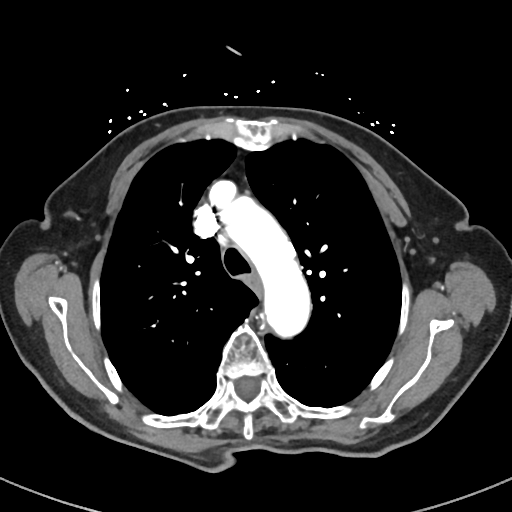

CT of the abdomen extending into the chest, slice through the chest; axial plane, index 239; 512x512 px
At this level of the chest this dataset labels only the esophagus and the aorta, and each is boxed only where it is labeled; the heart and lungs are never labeled.
<organs><organ name="esophagus" x1="247" y1="273" x2="260" y2="291"/><organ name="aorta" x1="219" y1="196" x2="310" y2="334"/></organs>